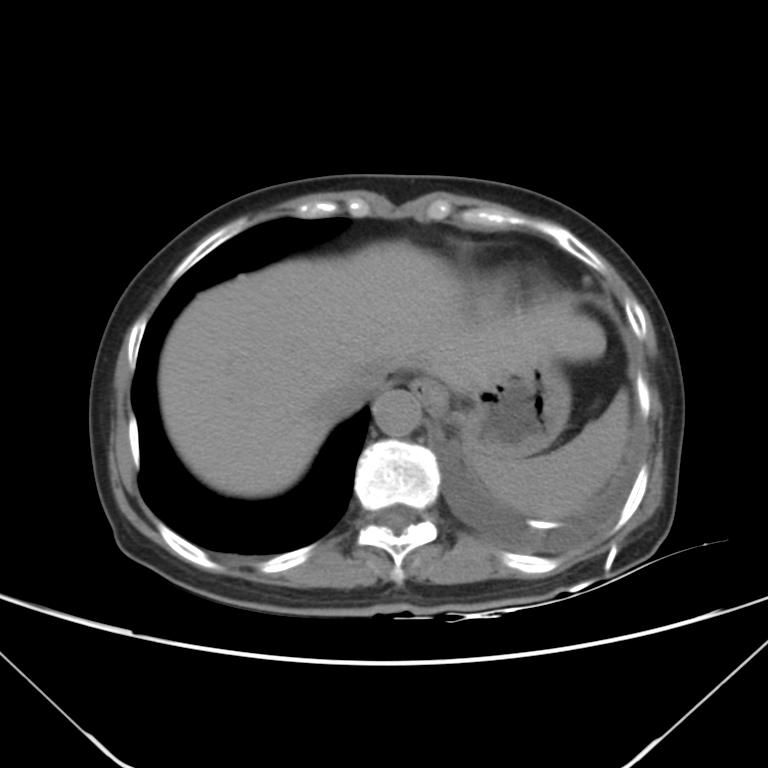 Abdominal CT. axial view. 768x768 px. 63-year-old female patient
{"organs":{"liver":[159,241,605,496],"stomach":[428,354,570,458],"inferior vena cava":[326,365,386,414],"esophagus":[412,379,441,404],"spleen":[473,389,629,517],"aorta":[374,389,421,435]}}